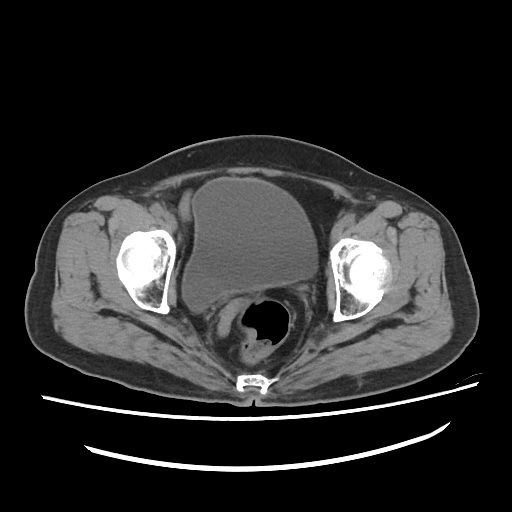
CT abdomen — Axial slice 19/88 — soft-tissue window — 61-year-old female patient — Aquilion ONE scanner — 14 organs annotated in this scan (that count is for the whole scan; organs this slice misses have no box)
Boxes: x1 y1 x2 y2 (pixel coords, space-separated). Labeled organs on this slice: bladder at 182 177 316 311.